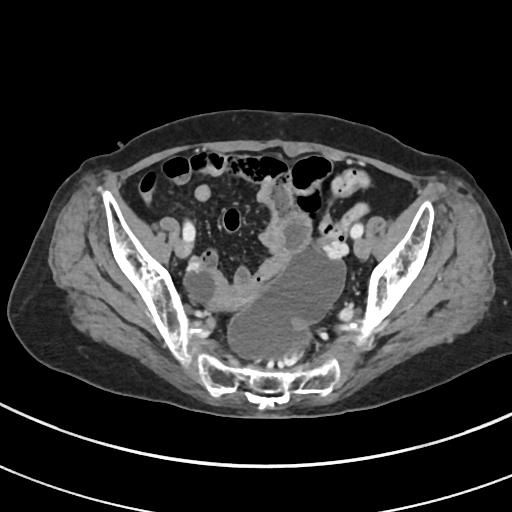
Abdominal CT. Axial slice 46/284. W/L 400/40 HU. SOMATOM Force scanner. scan has 15 labeled organs (a whole-scan count: organs this slice does not pass through have no box)
Bounding boxes as [x1, y1, x2, y2] in pixel coordinates.
prostate/uterus: [210, 282, 258, 311]